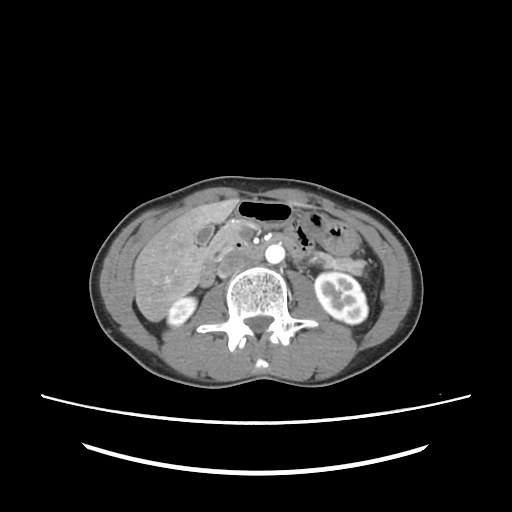

CT, abdomen/pelvis; axial view; W/L 400/40 HU; 512x512 px
<organs><organ name="duodenum" x1="200" y1="235" x2="300" y2="287"/><organ name="aorta" x1="265" y1="245" x2="284" y2="263"/><organ name="pancreas" x1="206" y1="220" x2="364" y2="276"/><organ name="inferior vena cava" x1="217" y1="253" x2="248" y2="277"/><organ name="left kidney" x1="315" y1="272" x2="367" y2="324"/><organ name="stomach" x1="236" y1="200" x2="358" y2="255"/><organ name="right kidney" x1="167" y1="297" x2="196" y2="326"/><organ name="gall bladder" x1="195" y1="224" x2="213" y2="245"/><organ name="liver" x1="133" y1="199" x2="305" y2="321"/></organs>